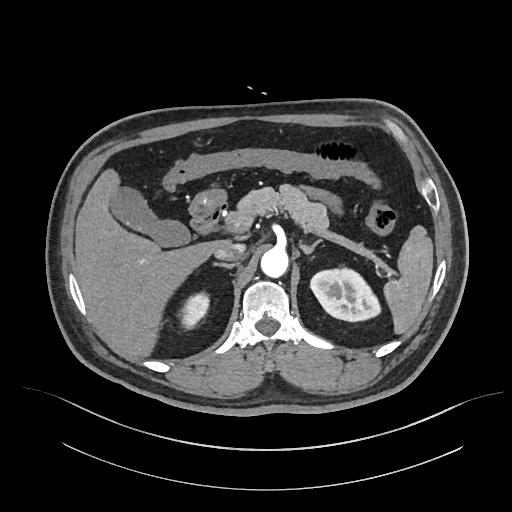
CT, abdomen/pelvis — axial plane, index 184 — 512x512 px — scan has 15 labeled organs (counted over the whole 3D scan, not this slice; an organ is boxed only where this slice passes through it)
Organ boxes in pixel coordinates; each row gives the top-left (x1, y1) and bottom-right (x2, y2) corners.
| organ | x1 | y1 | x2 | y2 |
|---|---|---|---|---|
| spleen | 383 | 225 | 433 | 333 |
| right kidney | 181 | 291 | 209 | 329 |
| left kidney | 310 | 268 | 380 | 321 |
| gall bladder | 109 | 186 | 190 | 246 |
| liver | 75 | 169 | 228 | 356 |
| stomach | 187 | 189 | 227 | 215 |
| aorta | 261 | 247 | 288 | 277 |
| inferior vena cava | 214 | 242 | 245 | 260 |
| pancreas | 237 | 184 | 328 | 229 |
| right adrenal gland | 213 | 262 | 236 | 268 |
| left adrenal gland | 299 | 240 | 320 | 254 |
| duodenum | 190 | 203 | 226 | 234 |